Chest-level slice from an abdominal CT that extends up into the chest. axial view. scan has 15 labeled organs (that count is for the whole scan; organs this slice misses have no box)
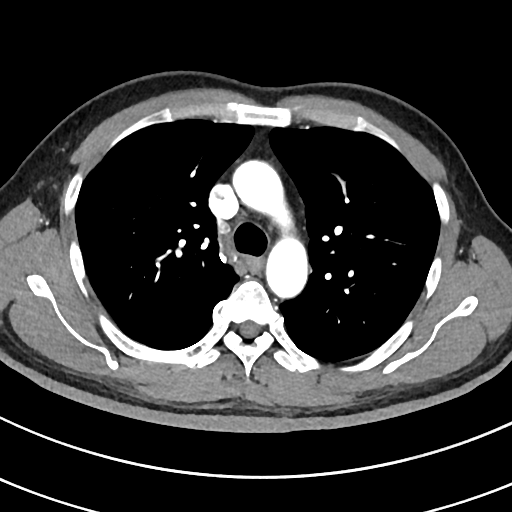
At this level of the chest this dataset labels only the esophagus and the aorta, and each is boxed only where it is labeled; the heart and lungs are never labeled.
Boxes are (x1, y1, x2, y2) in pixels.
esophagus: (243, 257, 261, 271)
aorta: (232, 160, 308, 297)